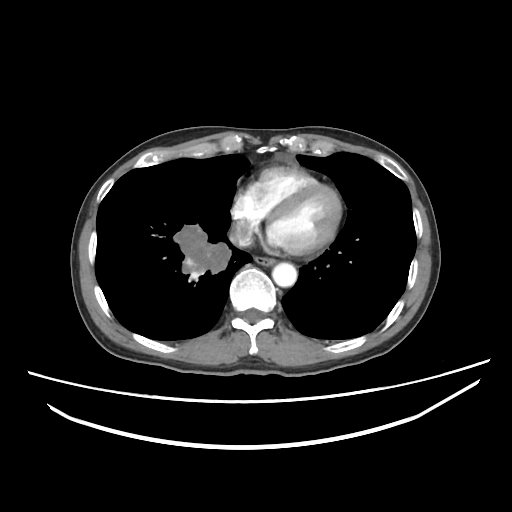

Abdominal CT; this slice is in the lower chest, just above the liver · axial view · soft-tissue window, W/L 400/40 · acquired on Aquilion ONE · 13 organs annotated in this scan (counted over the whole 3D scan, not this slice; an organ is boxed only where this slice passes through it)
The heart and lungs are never labeled in this dataset, so they have no box on this slice.
Organ boxes in pixel coordinates; each row gives the top-left (x1, y1) and bottom-right (x2, y2) corners.
| organ | x1 | y1 | x2 | y2 |
|---|---|---|---|---|
| esophagus | 254 | 257 | 275 | 265 |
| aorta | 272 | 262 | 297 | 287 |
| inferior vena cava | 229 | 223 | 251 | 246 |